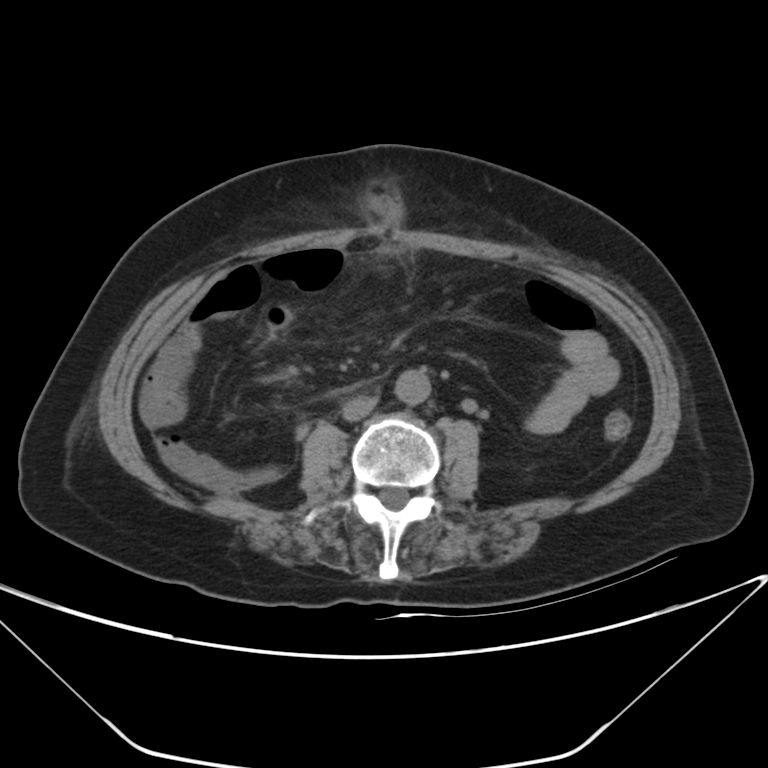 Computed tomography, abdomen. Axial slice 48/94. 66-year-old female patient
Boxes: x1 y1 x2 y2 (pixel coords, space-separated).
Organ bounding boxes:
- inferior vena cava: 342 396 377 420
- aorta: 394 369 430 404